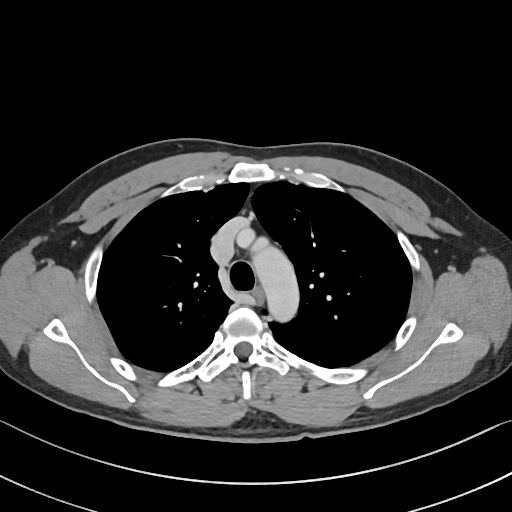
Chest-level slice from an abdominal CT that extends up into the chest · Axial slice 253/291 · soft-tissue window (W 400 / L 40) · 512x512 px
At this level of the chest this dataset labels only the esophagus and the aorta, and each is boxed only where it is labeled; the heart and lungs are never labeled.
Boxes: x1:y1:x2:y2 in pixels.
esophagus: 254:289:263:301
aorta: 251:238:299:321